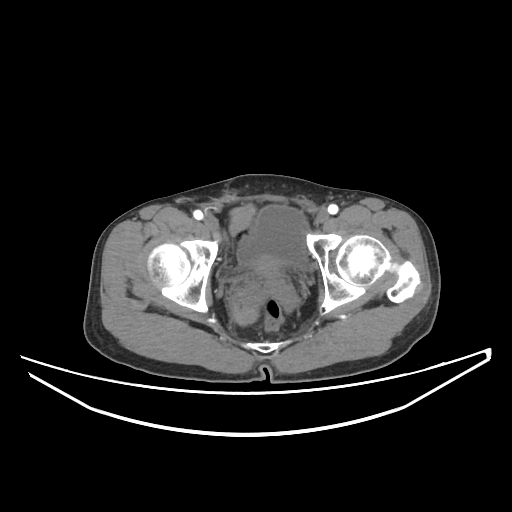 Abdominal CT — axial view — soft-tissue window (W 400 / L 40) — 512x512 px — 15 organs annotated in this scan (counted over the whole 3D scan, not this slice; an organ is boxed only where this slice passes through it)
Box edges are left/top/right/bottom in pixels.
bladder: left=238, top=205, right=307, bottom=268
prostate/uterus: left=259, top=257, right=282, bottom=270